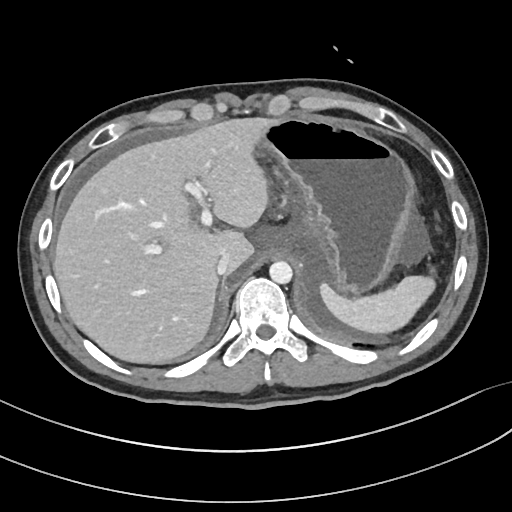
CT, abdomen/pelvis — axial view — soft-tissue window — scan has 15 labeled organs (counted over the whole 3D scan, not this slice; an organ is boxed only where this slice passes through it)
One row per box, in pixels: columns x1 and y1 give the top-left corner, x2 and y2 the bottom-right.
| organ | x1 | y1 | x2 | y2 |
|---|---|---|---|---|
| spleen | 320 | 276 | 435 | 333 |
| liver | 53 | 117 | 272 | 363 |
| stomach | 259 | 117 | 415 | 295 |
| aorta | 269 | 261 | 292 | 283 |
| inferior vena cava | 216 | 253 | 230 | 275 |